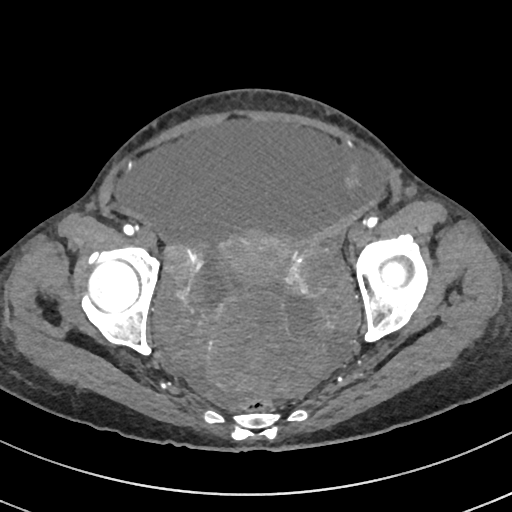
Abdominal CT · Axial slice 38/237
Bounding boxes as [x1, y1, x2, y2] in pixel coordinates. Labeled organs on this slice: prostate/uterus at [223, 235, 294, 283].